Abdominal CT. axial view
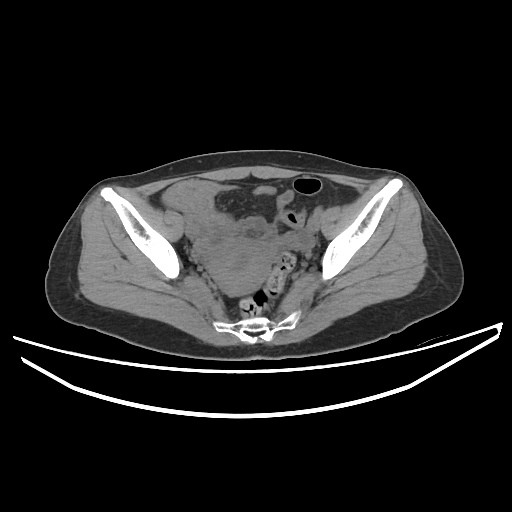
Boxes are (x1, y1, x2, y2) in pixels.
prostate/uterus: (205, 237, 274, 295)